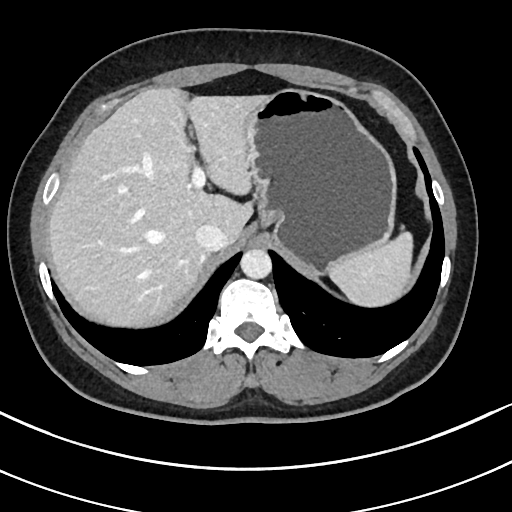
Abdominal CT · Axial slice 172/206
Coordinates as <box>x1,y1,x2,y2</box> in pixels.
Organ bounding boxes:
- spleen: <box>328,232,412,307</box>
- liver: <box>47,86,270,323</box>
- stomach: <box>243,89,395,272</box>
- aorta: <box>240,249,271,279</box>
- inferior vena cava: <box>195,224,226,251</box>